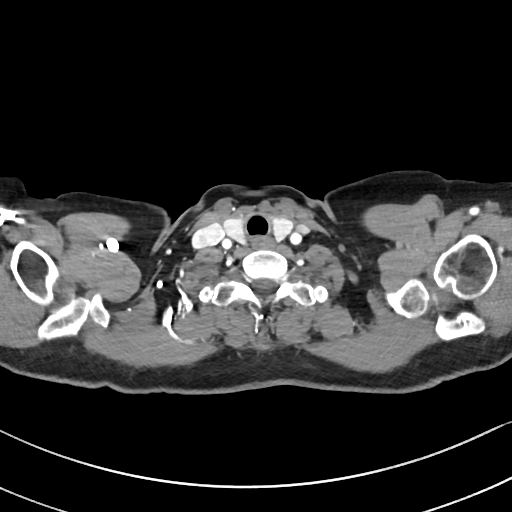

Chest-level CT slice, above the liver and spleen; axial view; scan has 15 labeled organs (that count is for the whole scan; organs this slice misses have no box)
On a slice this high in the chest, this dataset labels only the esophagus and the aorta, and each is boxed only where it is labeled; the heart, lungs and other chest structures are not labeled.
Bounding boxes as [x1, y1, x2, y2] in pixel coordinates.
Organ bounding boxes:
- esophagus: [251, 237, 274, 249]